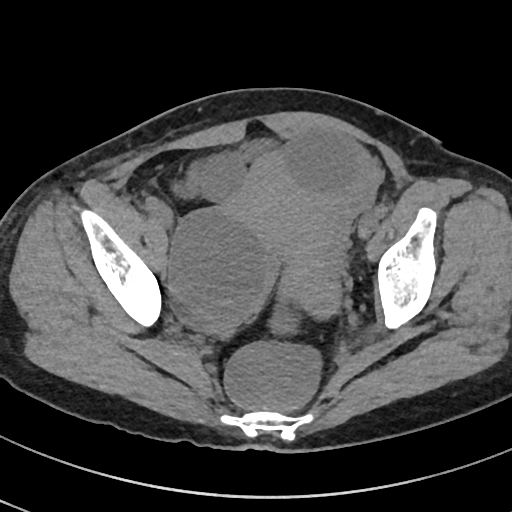

CT abdomen — Axial slice 44/218 — scan has 15 labeled organs (counted over the whole 3D scan, not this slice; an organ is boxed only where this slice passes through it)
{"organs":{"bladder":[187,139,273,192],"prostate/uterus":[234,169,345,315]}}